Chest-level slice from an abdominal CT that extends up into the chest; axial view; soft-tissue window, W/L 400/40; 512x512 px; 15 organs annotated in this scan (counted over the whole 3D scan, not this slice; an organ is boxed only where this slice passes through it)
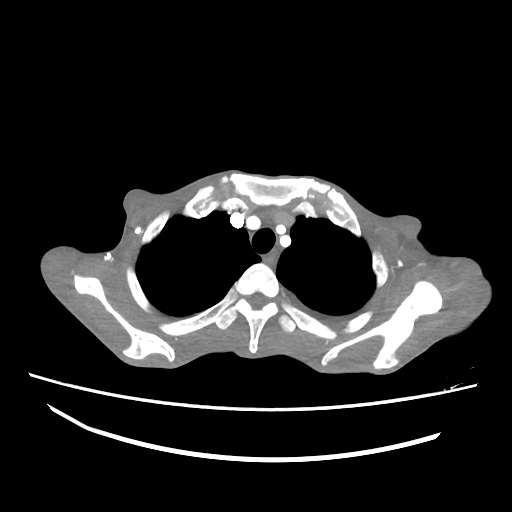
At this level of the chest no structure but the esophagus and the aorta has a label in this dataset, and those two are boxed only where they are labeled.
<organs><organ name="esophagus" x1="263" y1="250" x2="276" y2="265"/></organs>